CT of the abdomen reaching into the lower chest, slice just above the liver and spleen · Axial slice 237/244 · W/L 400/40 HU · 512x512 px
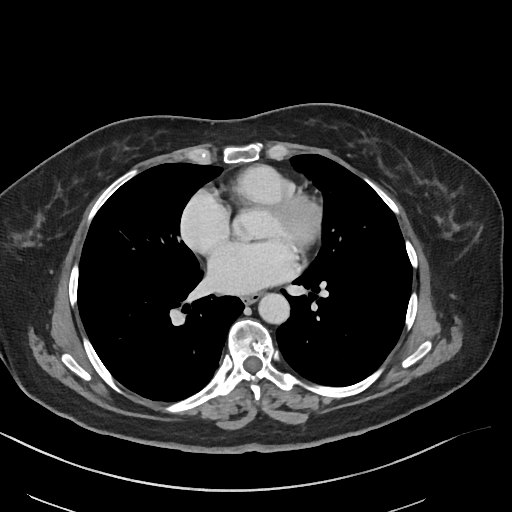

The heart and lungs are never labeled in this dataset, so they have no box on this slice. Boxes: x1 y1 x2 y2 (pixel coords, space-separated). The annotated organs in this slice are: esophagus at 242 293 260 303, aorta at 258 293 289 323.